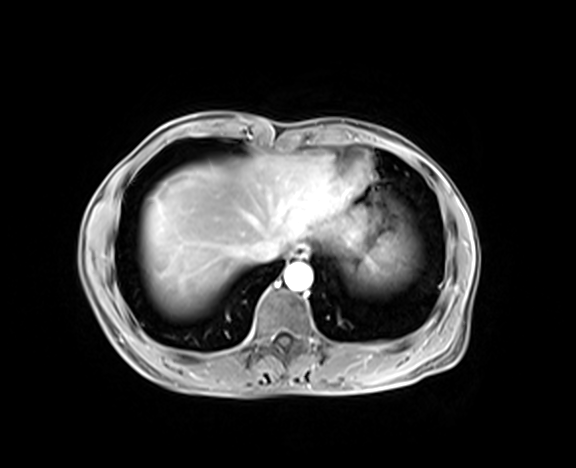

Abdominal MR — axial view — 576x468 px — acquired on Prisma — scan has 13 labeled organs (that count is for the whole scan; organs this slice misses have no box)
<organs><organ name="spleen" x1="360" y1="234" x2="407" y2="277"/><organ name="esophagus" x1="288" y1="245" x2="308" y2="259"/><organ name="liver" x1="141" y1="155" x2="350" y2="311"/><organ name="stomach" x1="332" y1="209" x2="370" y2="253"/><organ name="aorta" x1="284" y1="263" x2="312" y2="290"/><organ name="inferior vena cava" x1="249" y1="238" x2="278" y2="262"/></organs>